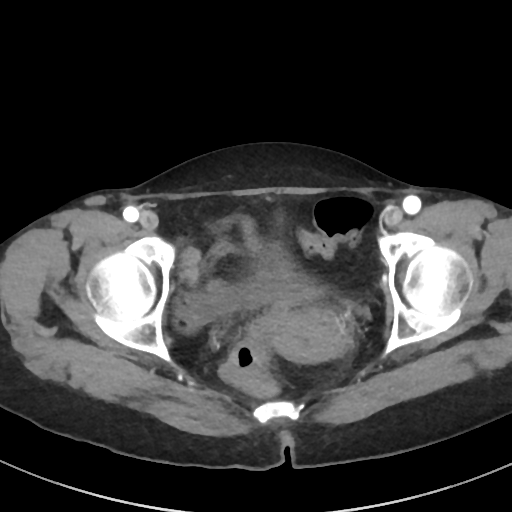 Abdominal CT — axial view — soft-tissue window — SOMATOM Force scanner
Boxes: x1 y1 x2 y2 (pixel coords, space-separated).
bladder: 183 246 320 326
prostate/uterus: 269 308 341 362